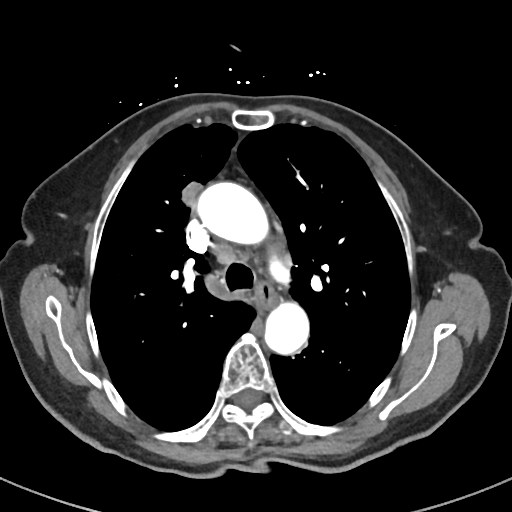
Chest-level CT slice, above the liver and spleen. axial view. soft-tissue window (W 400 / L 40). 512x512 px
On a slice this high in the chest, this dataset labels only the esophagus and the aorta, and each is boxed only where it is labeled; the heart, lungs and other chest structures are not labeled.
{"organs":{"aorta":[[195,181,271,245],[264,303,308,356]],"esophagus":[255,283,279,312]}}